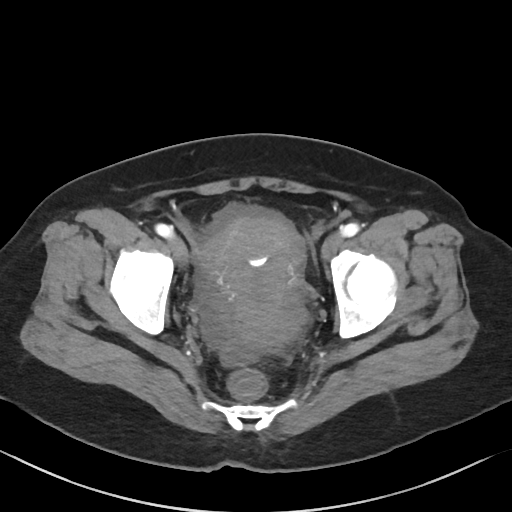 Computed tomography, abdomen. Axial slice 13/88
Organ boxes in pixel coordinates; each row gives the top-left (x1, y1) and bottom-right (x2, y2) corners.
| organ | x1 | y1 | x2 | y2 |
|---|---|---|---|---|
| prostate/uterus | 199 | 216 | 299 | 343 |